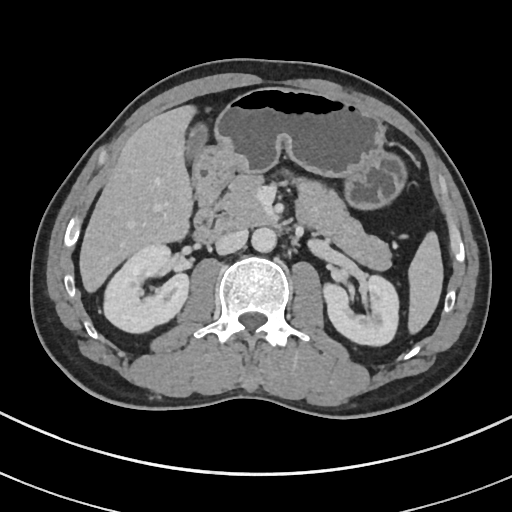

Computed tomography, abdomen. axial view
Boxes are (x1, y1, x2, y2) in pixels.
Organ bounding boxes:
- spleen: (408, 234, 442, 331)
- right kidney: (102, 243, 187, 331)
- left kidney: (322, 274, 400, 344)
- gall bladder: (188, 126, 205, 152)
- liver: (79, 107, 191, 290)
- stomach: (192, 86, 405, 207)
- aorta: (251, 227, 277, 252)
- inferior vena cava: (216, 230, 248, 254)
- pancreas: (215, 175, 393, 269)
- duodenum: (190, 205, 236, 244)